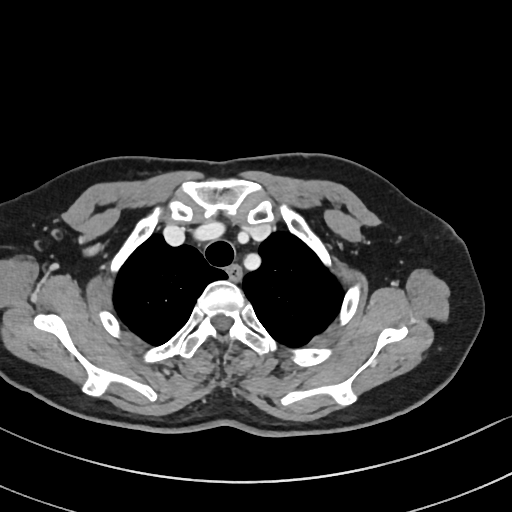
Abdominal CT reaching into the chest; this slice is in the chest · axial view · soft-tissue window · scan has 14 labeled organs (that count is for the whole scan; organs this slice misses have no box)
At this level of the chest this dataset labels only the esophagus and the aorta, and each is boxed only where it is labeled; the heart and lungs are never labeled.
Bounding boxes in pixels, one row per box: x1, y1 is the top-left corner and x2, y2 the bottom-right.
| organ | x1 | y1 | x2 | y2 |
|---|---|---|---|---|
| esophagus | 229 | 268 | 240 | 279 |